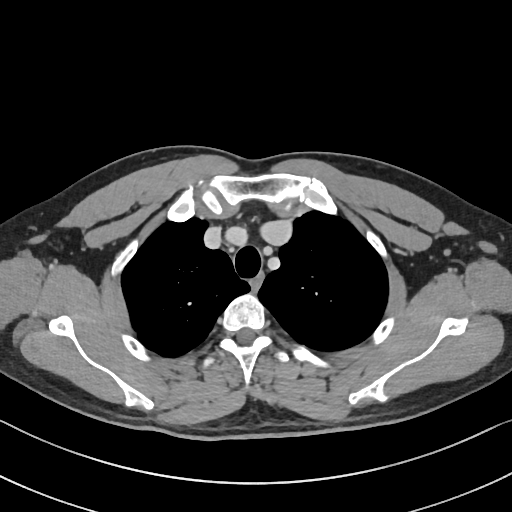 Chest-level CT slice, above the liver and spleen. axial view. SOMATOM Force scanner
At this level of the chest this dataset labels only the esophagus and the aorta, and each is boxed only where it is labeled; the heart and lungs are never labeled.
Bounding boxes in pixels, one row per box: x1, y1 is the top-left corner and x2, y2 the bottom-right.
| organ | x1 | y1 | x2 | y2 |
|---|---|---|---|---|
| esophagus | 250 | 273 | 263 | 292 |